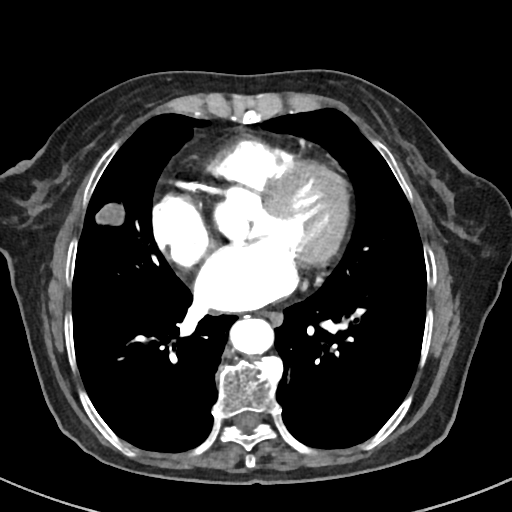

Abdominal CT; this slice is in the lower chest, just above the liver · Axial slice 199/279 · W/L 400/40 HU · 512x512 px
The heart and lungs are never labeled in this dataset, so they have no box on this slice.
{"organs":{"esophagus":[261,311,283,326],"aorta":[229,317,274,355]}}